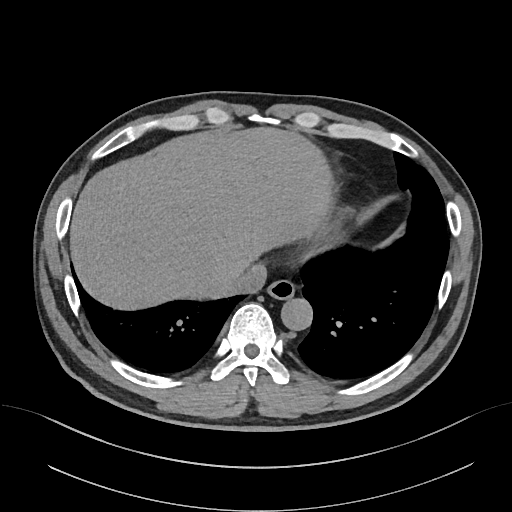

CT abdomen · axial view
Bounding boxes as [x1, y1, x2, y2] in pixel coordinates.
esophagus: [266, 280, 294, 299]
liver: [70, 128, 330, 308]
aorta: [281, 299, 312, 331]
inferior vena cava: [223, 261, 267, 294]